CT, abdomen/pelvis. axial plane, index 132
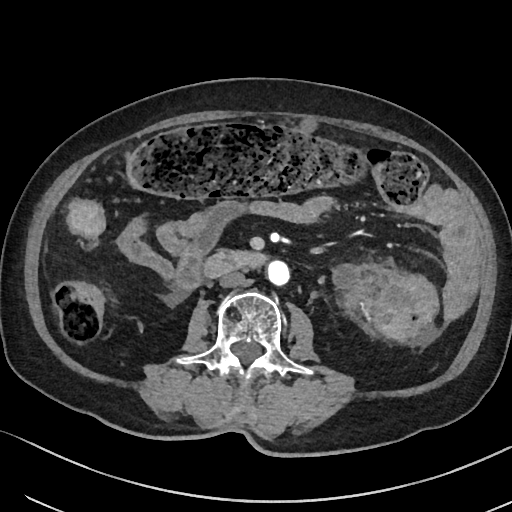
Boxes are (x1, y1, x2, y2) in pixels. Labeled organs on this slice: inferior vena cava at (219, 271, 246, 287), aorta at (268, 262, 290, 286), duodenum at (201, 249, 267, 280).